Computed tomography, abdomen. axial view. Aquilion ONE scanner
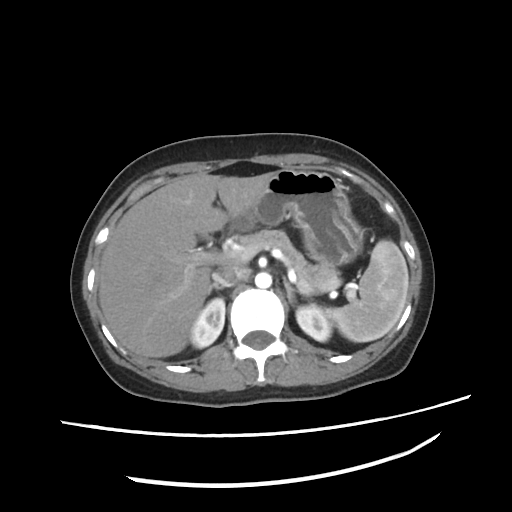 <organs><organ name="spleen" x1="328" y1="240" x2="409" y2="341"/><organ name="right kidney" x1="189" y1="298" x2="225" y2="348"/><organ name="left kidney" x1="297" y1="305" x2="331" y2="341"/><organ name="liver" x1="99" y1="173" x2="271" y2="358"/><organ name="stomach" x1="230" y1="169" x2="363" y2="264"/><organ name="aorta" x1="255" y1="272" x2="271" y2="287"/><organ name="inferior vena cava" x1="212" y1="265" x2="250" y2="285"/><organ name="pancreas" x1="237" y1="229" x2="338" y2="286"/><organ name="right adrenal gland" x1="207" y1="282" x2="221" y2="296"/><organ name="left adrenal gland" x1="283" y1="280" x2="309" y2="300"/></organs>